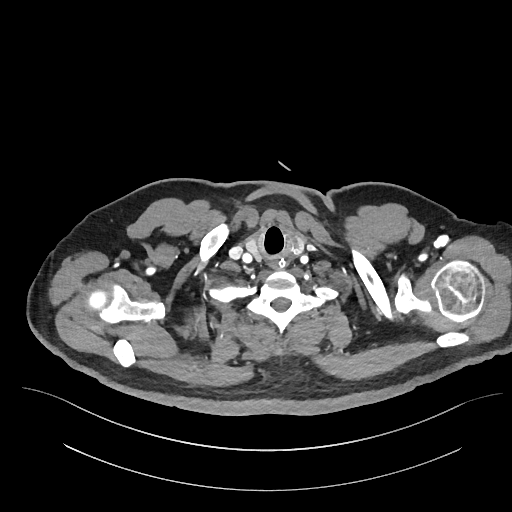 CT of the abdomen extending into the chest, slice through the chest — Axial slice 326/333 — soft-tissue window (W 400 / L 40)
At this level of the chest no structure but the esophagus and the aorta has a label in this dataset, and those two are boxed only where they are labeled.
Bounding boxes in pixels, one row per box: x1, y1 is the top-left corner and x2, y2 the bottom-right.
| organ | x1 | y1 | x2 | y2 |
|---|---|---|---|---|
| esophagus | 271 | 256 | 285 | 267 |